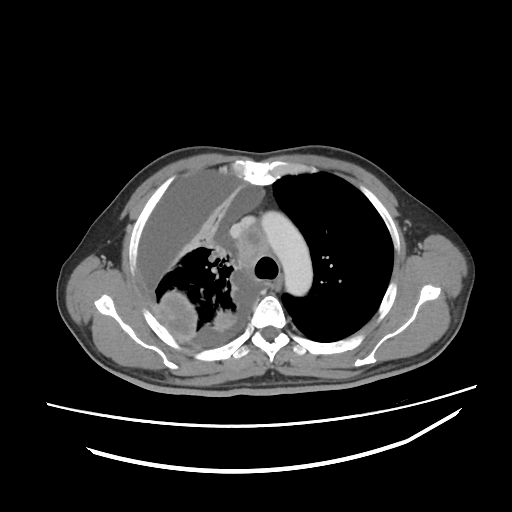
Chest-level CT slice, above the liver and spleen; axial view
On a slice this high in the chest, this dataset labels only the esophagus and the aorta, and each is boxed only where it is labeled; the heart, lungs and other chest structures are not labeled.
Boxes: x1 y1 x2 y2 (pixel coords, space-separated).
aorta: 261 211 312 295
esophagus: 274 273 284 291